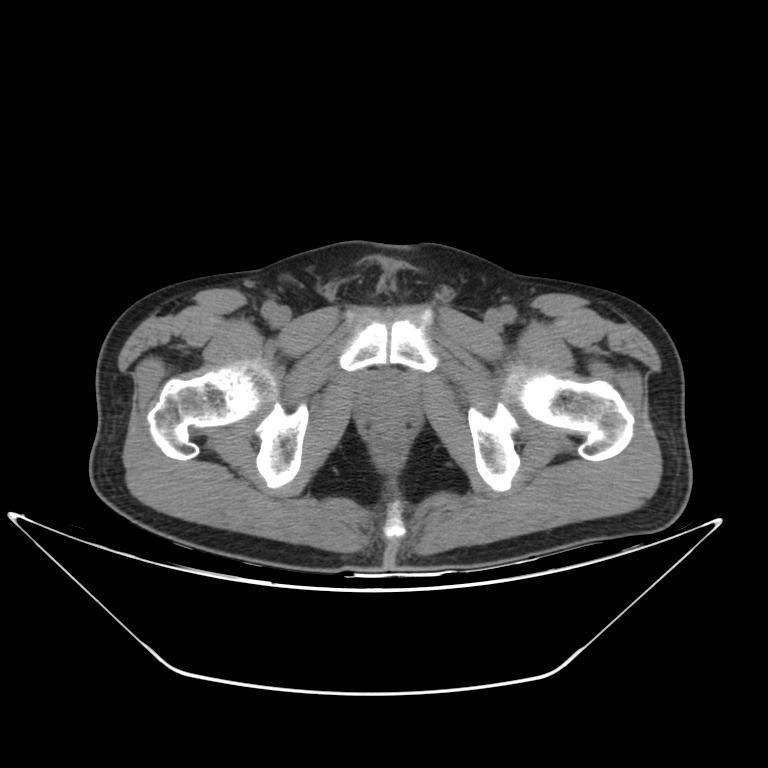

Abdominal CT. axial plane, index 22. 53-year-old male patient. acquired on Brilliance16
Coordinates as <box>x1,y1,x2,y2</box> in pixels.
Organ bounding boxes:
- prostate/uterus: <box>361,374,411,422</box>